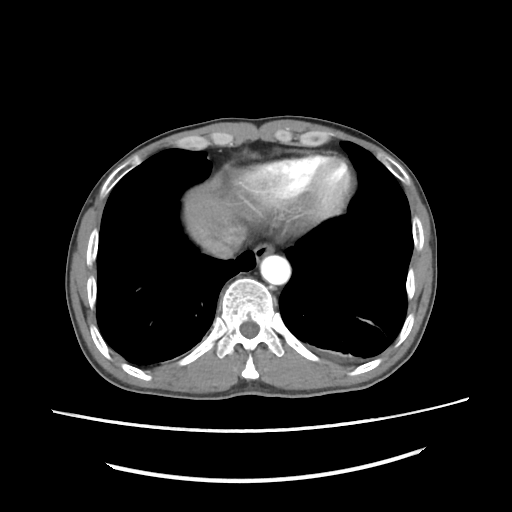 Abdominal CT · axial view · W/L 400/40 HU · 55-year-old male patient · scan has 15 labeled organs (counted over the whole 3D scan, not this slice; an organ is boxed only where this slice passes through it)
Bounding boxes in pixels, one row per box: x1, y1 is the top-left corner and x2, y2 the bottom-right.
| organ | x1 | y1 | x2 | y2 |
|---|---|---|---|---|
| liver | 184 | 186 | 247 | 239 |
| esophagus | 253 | 244 | 273 | 258 |
| inferior vena cava | 193 | 229 | 240 | 258 |
| aorta | 260 | 255 | 290 | 285 |